CT abdomen · axial plane, index 90
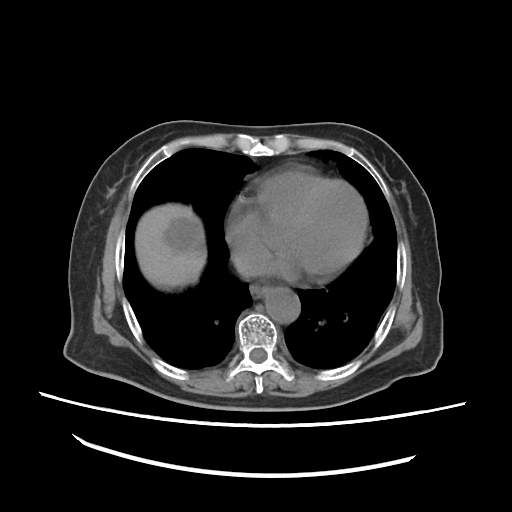

Organ boxes in pixel coordinates; each row gives the top-left (x1, y1) and bottom-right (x2, y2) corners.
| organ | x1 | y1 | x2 | y2 |
|---|---|---|---|---|
| esophagus | 251 | 284 | 271 | 297 |
| liver | 134 | 204 | 206 | 288 |
| aorta | 266 | 288 | 300 | 322 |
| inferior vena cava | 231 | 249 | 275 | 277 |